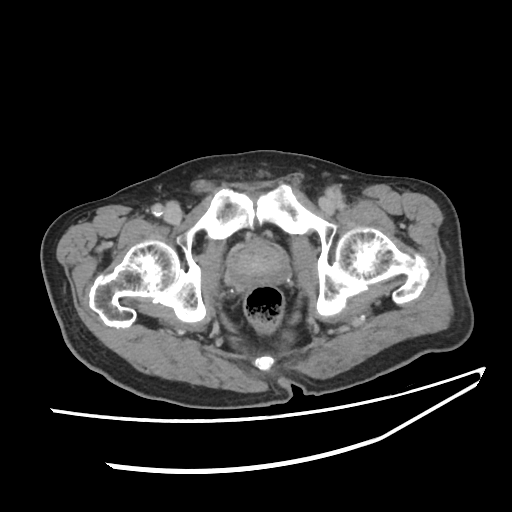 CT abdomen · axial view · 15 organs annotated in this scan (a whole-scan count: organs this slice does not pass through have no box)
Boxes are (x1, y1, x2, y2) in pixels.
prostate/uterus: (224, 241, 289, 287)